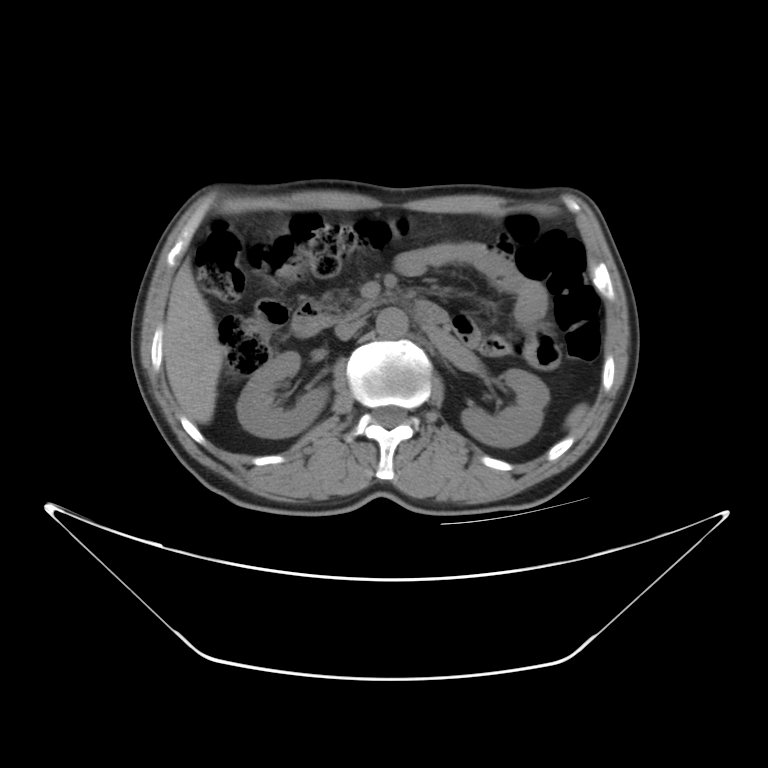 Computed tomography, abdomen; axial view; 59-year-old male patient; acquired on Brilliance16; scan has 15 labeled organs (counted over the whole 3D scan, not this slice; an organ is boxed only where this slice passes through it)
Boxes: x1:y1:x2:y2 in pixels.
Organ bounding boxes:
- liver: 164:267:222:423
- pancreas: 320:289:376:320
- left kidney: 459:368:550:447
- inferior vena cava: 334:321:368:339
- spleen: 563:405:588:427
- duodenum: 293:302:452:337
- aorta: 376:308:407:337
- right kidney: 236:352:327:437